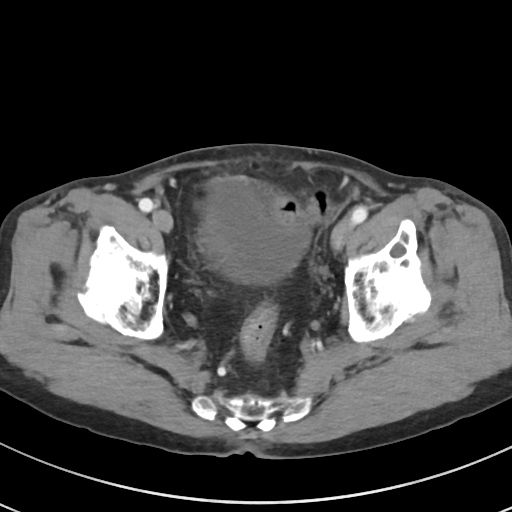
CT abdomen — axial view — SOMATOM Force scanner
<organs><organ name="bladder" x1="201" y1="177" x2="310" y2="283"/></organs>